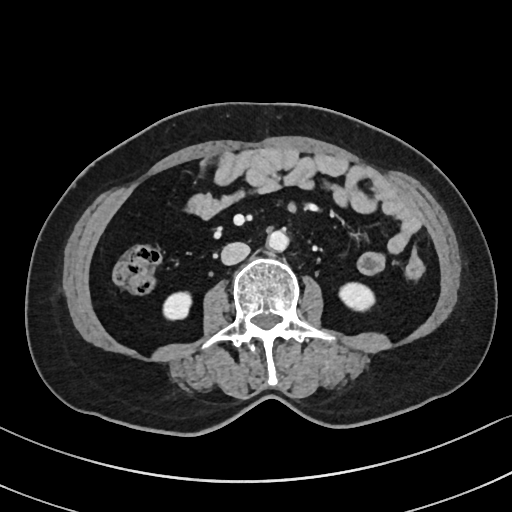
Abdominal CT; axial view; abdomen soft-tissue window
Boxes: x1 y1 x2 y2 (pixel coords, space-separated).
right kidney: 164 293 189 318
left kidney: 341 284 374 309
aorta: 266 230 288 251
inferior vena cava: 221 242 250 264